Computed tomography, abdomen; axial view; abdomen soft-tissue window; 31-year-old male patient
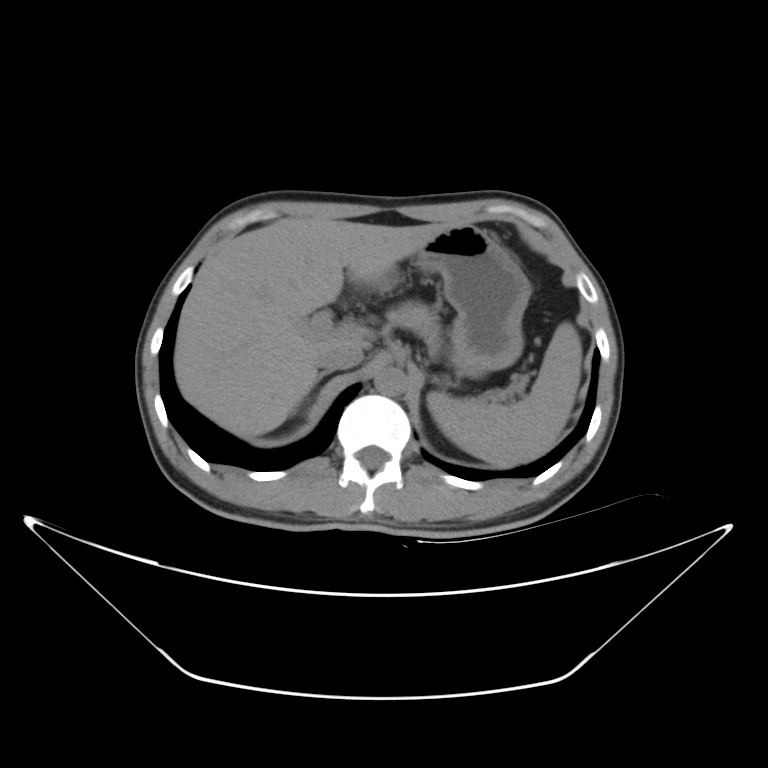 Coordinates as <box>x1,y1,x2,y2</box> in pixels.
Organ bounding boxes:
- spleen: <box>428,320,582,464</box>
- liver: <box>173,216,470,436</box>
- stomach: <box>378,226,528,377</box>
- aorta: <box>374,366,406,396</box>
- inferior vena cava: <box>318,341,365,368</box>
- pancreas: <box>387,300,439,357</box>
- right adrenal gland: <box>311,369,336,388</box>